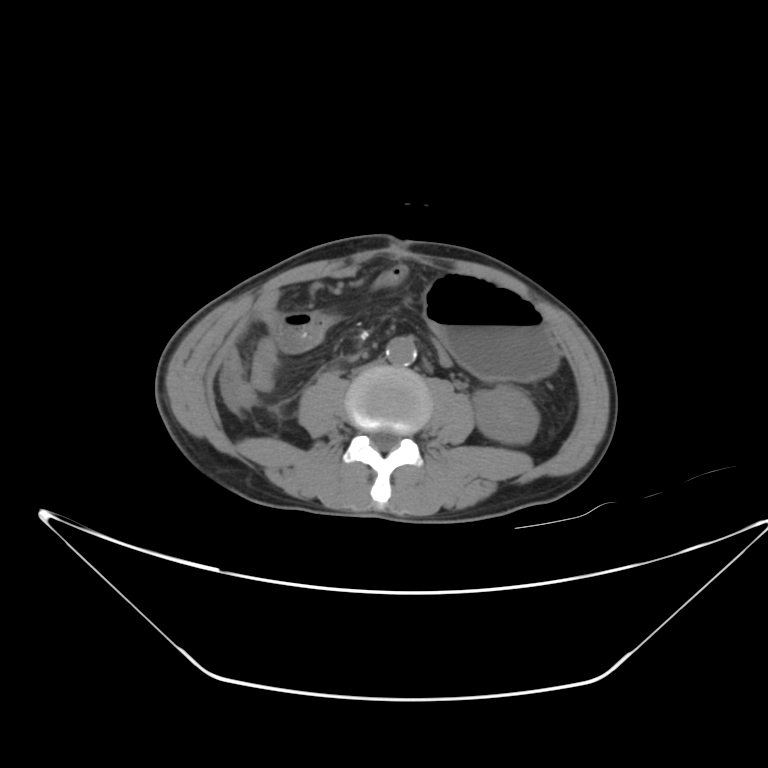 CT abdomen · axial view · soft-tissue window (W 400 / L 40) · 768x768 px
Boxes are (x1, y1, x2, y2) in pixels.
Organ bounding boxes:
- stomach: (423, 273, 555, 381)
- inferior vena cava: (352, 356, 386, 374)
- right kidney: (270, 404, 281, 415)
- left kidney: (471, 384, 538, 444)
- aorta: (386, 337, 417, 365)